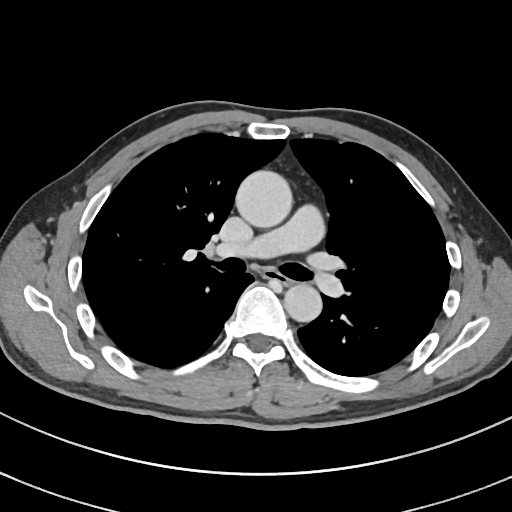
CT of the abdomen extending into the chest, slice through the chest; axial view; soft-tissue window; 512x512 px; acquired on SOMATOM Force
At this level of the chest no structure but the esophagus and the aorta has a label in this dataset, and those two are boxed only where they are labeled.
{"organs":{"esophagus":[262,269,292,284],"aorta":[[235,170,292,228],[284,283,322,322]]}}